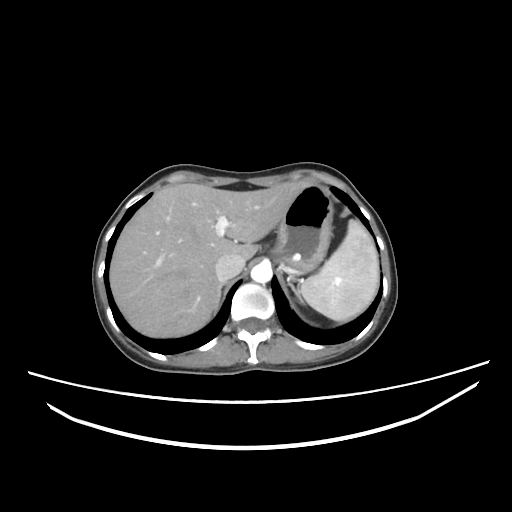 CT, abdomen/pelvis. Axial slice 62/114
Coordinates as <box>x1,y1,x2,y2</box> in pixels. Labeled organs on this slice: spleen at <box>300,219,378,321</box>, liver at <box>109,181,308,337</box>, stomach at <box>271,183,333,274</box>, aorta at <box>250,262,272,283</box>, inferior vena cava at <box>215,254,245,281</box>, right adrenal gland at <box>214,284,225,313</box>.